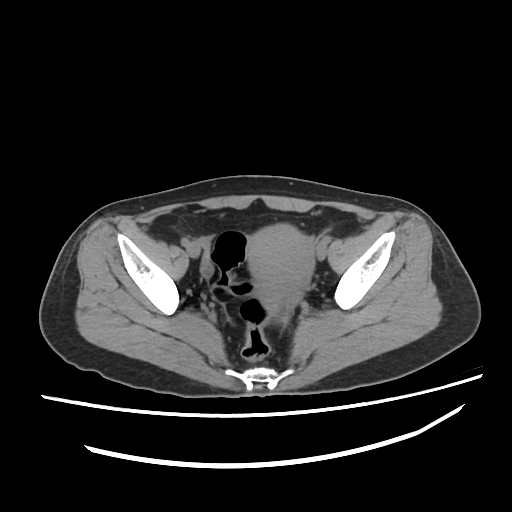

CT, abdomen/pelvis. axial view. W/L 400/40 HU. 43-year-old female patient
Each box given as x1,y1,x2,y2.
Organ bounding boxes:
- prostate/uterus: x1=248, y1=224, x2=311, y2=310